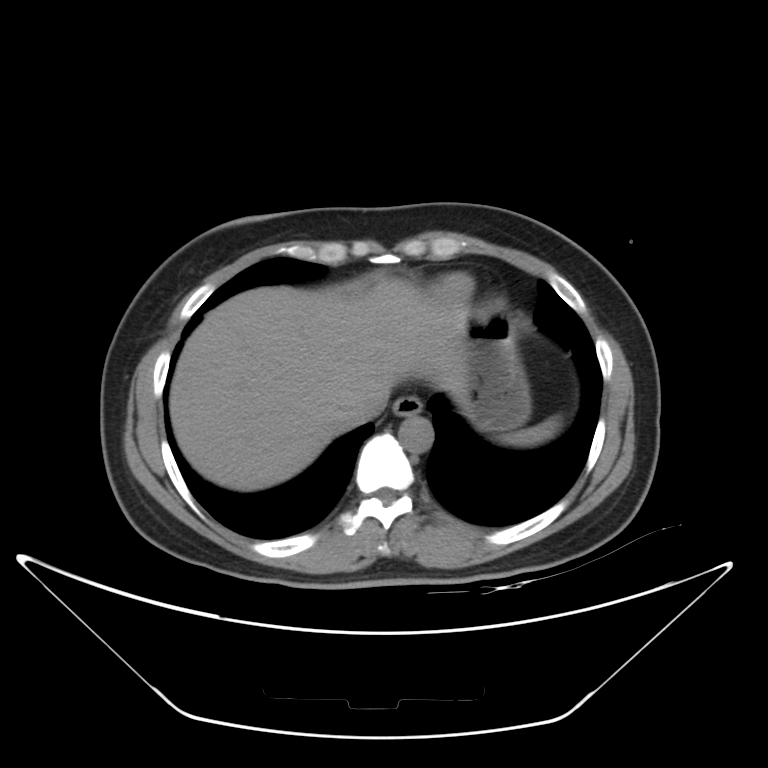

Computed tomography, abdomen. axial plane, index 88. scan has 15 labeled organs (a whole-scan count: organs this slice does not pass through have no box)
<organs><organ name="inferior vena cava" x1="343" y1="392" x2="387" y2="427"/><organ name="esophagus" x1="392" y1="395" x2="422" y2="415"/><organ name="liver" x1="169" y1="278" x2="466" y2="490"/><organ name="aorta" x1="399" y1="415" x2="433" y2="453"/><organ name="stomach" x1="461" y1="311" x2="531" y2="430"/><organ name="spleen" x1="495" y1="418" x2="560" y2="446"/></organs>